Computed tomography, abdomen. axial view. W/L 400/40 HU
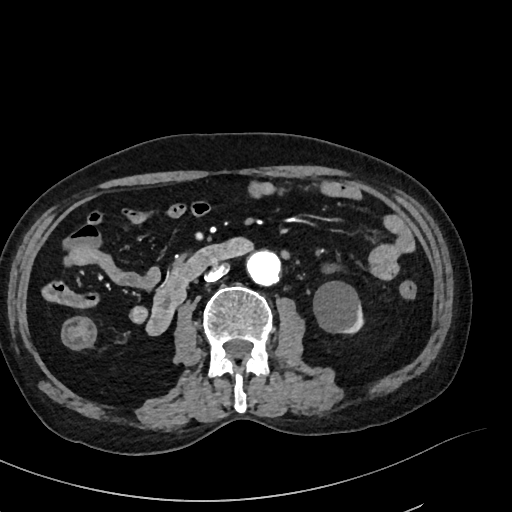
Boxes: x1 y1 x2 y2 (pixel coords, space-separated). The annotated organs in this slice are: left kidney at 313 281 362 333, aorta at 247 250 280 285, inferior vena cava at 205 265 227 281, duodenum at 146 238 252 335.